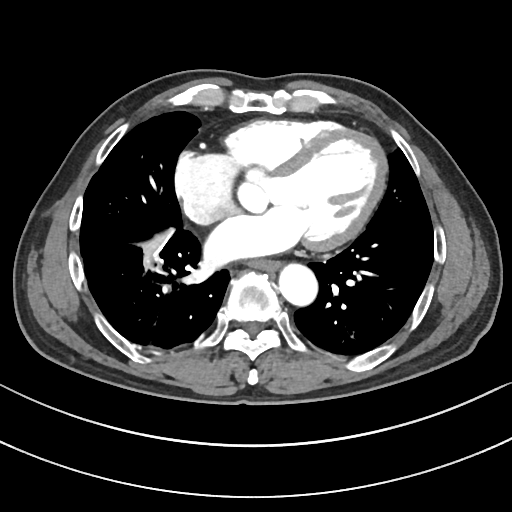

Abdominal CT; this slice is in the lower chest, just above the liver; axial plane, index 199; W/L 400/40 HU; scan has 15 labeled organs (counted over the whole 3D scan, not this slice; an organ is boxed only where this slice passes through it)
No part of the heart or lungs is labeled in this dataset, so neither has a box here. Box edges are left/top/right/bottom in pixels. Labeled organs on this slice: esophagus at left=247, top=260, right=278, bottom=270, aorta at left=278, top=262, right=316, bottom=304.